Computed tomography, abdomen — axial view — W/L 400/40 HU — 512x512 px — acquired on Aquilion ONE
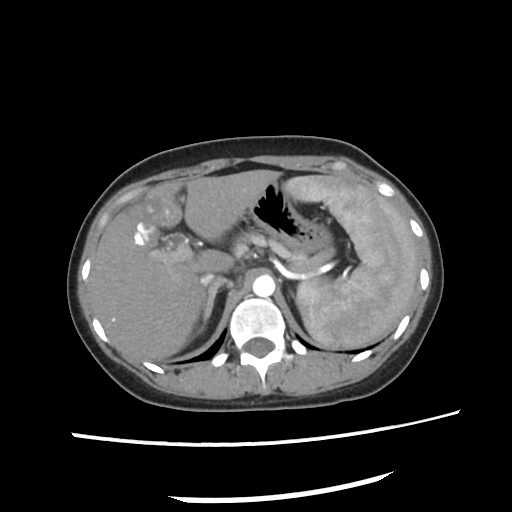 Bounding boxes as [x1, y1, x2, y2] in pixel coordinates.
Organ bounding boxes:
- spleen: [283, 175, 417, 347]
- gall bladder: [162, 232, 197, 246]
- liver: [89, 169, 280, 360]
- stomach: [247, 179, 332, 254]
- aorta: [254, 275, 274, 296]
- inferior vena cava: [199, 273, 228, 285]
- pancreas: [234, 231, 306, 259]
- right adrenal gland: [199, 288, 216, 332]